CT abdomen · Axial slice 41/291 · abdomen soft-tissue window
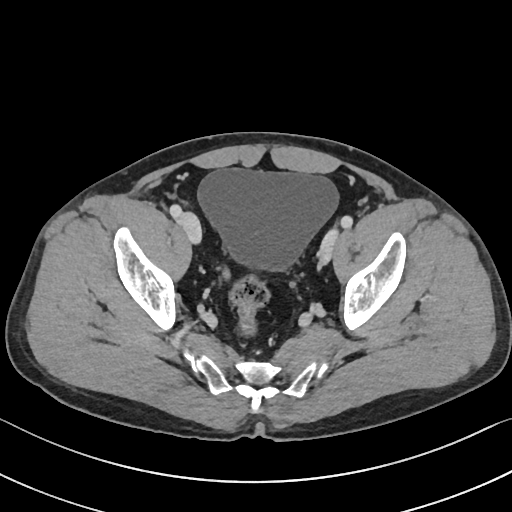 Bounding boxes as [x1, y1, x2, y2] in pixel coordinates.
bladder: [198, 168, 338, 269]